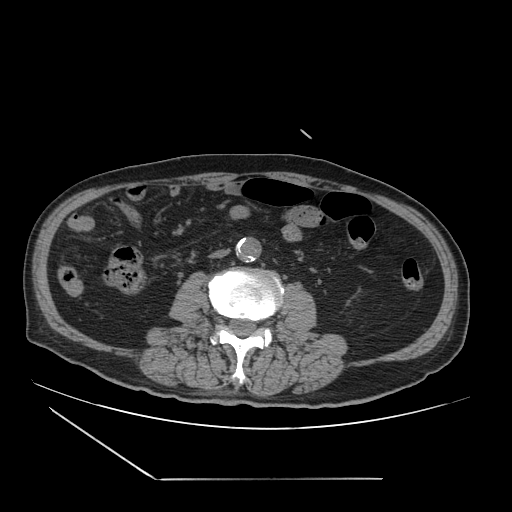

Abdominal CT; axial plane, index 98; 512x512 px
Box edges are left/top/right/bottom in pixels. The annotated organs in this slice are: aorta at left=236, top=237, right=261, bottom=261, inferior vena cava at left=210, top=249, right=229, bottom=258.